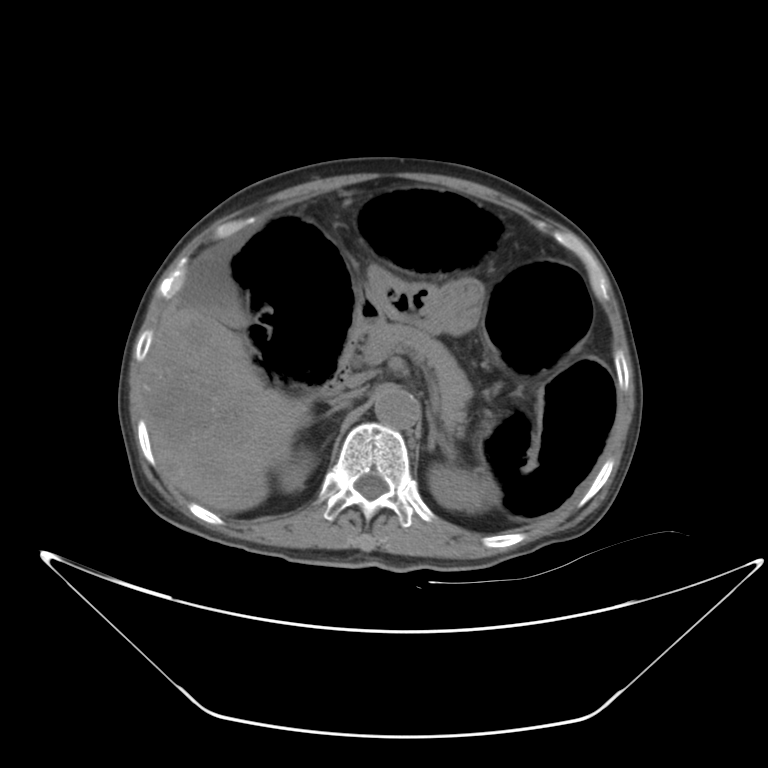 Abdominal CT · axial view · soft-tissue window (W 400 / L 40) · 64-year-old male patient
<organs><organ name="right kidney" x1="276" y1="446" x2="317" y2="493"/><organ name="left kidney" x1="428" y1="464" x2="500" y2="512"/><organ name="gall bladder" x1="182" y1="266" x2="247" y2="327"/><organ name="liver" x1="141" y1="287" x2="312" y2="512"/><organ name="stomach" x1="359" y1="265" x2="484" y2="335"/><organ name="aorta" x1="374" y1="387" x2="419" y2="429"/><organ name="inferior vena cava" x1="332" y1="388" x2="363" y2="404"/><organ name="pancreas" x1="358" y1="319" x2="473" y2="437"/><organ name="right adrenal gland" x1="321" y1="403" x2="348" y2="418"/><organ name="left adrenal gland" x1="427" y1="409" x2="456" y2="461"/><organ name="duodenum" x1="320" y1="293" x2="381" y2="395"/></organs>